Computed tomography, abdomen — Axial slice 17/245 — 512x512 px
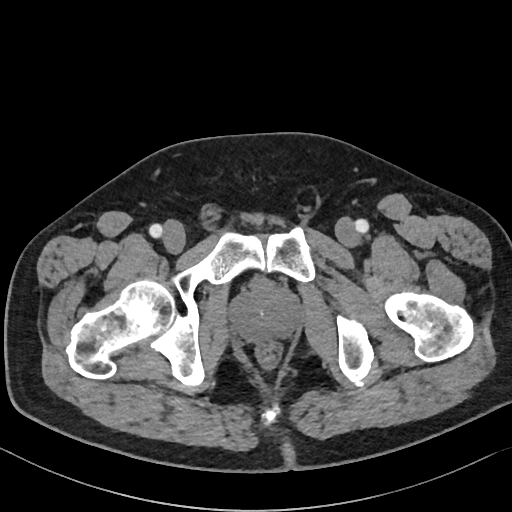

Coordinates as <box>x1,y1,x2,y2</box> in pixels.
prostate/uterus: <box>231,281,300,341</box>